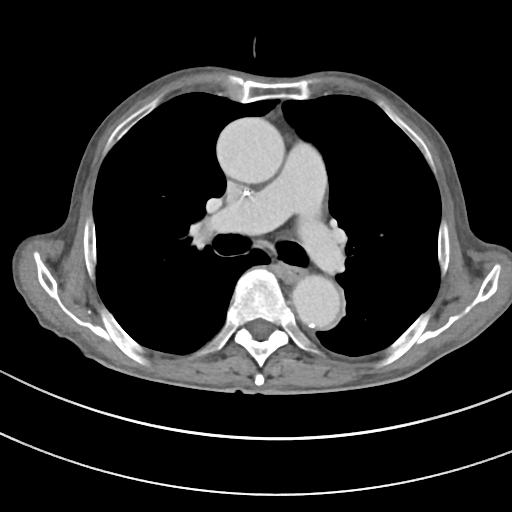
CT of the abdomen extending into the chest, slice through the chest — axial view — soft-tissue window, W/L 400/40 — 512x512 px — scan has 15 labeled organs (counted over the whole 3D scan, not this slice; an organ is boxed only where this slice passes through it)
On a slice this high in the chest, this dataset labels only the esophagus and the aorta, and each is boxed only where it is labeled; the heart, lungs and other chest structures are not labeled.
Boxes: x1:y1:x2:y2 in pixels.
aorta: 216:117:284:183
aorta: 292:275:340:328
esophagus: 277:264:304:281